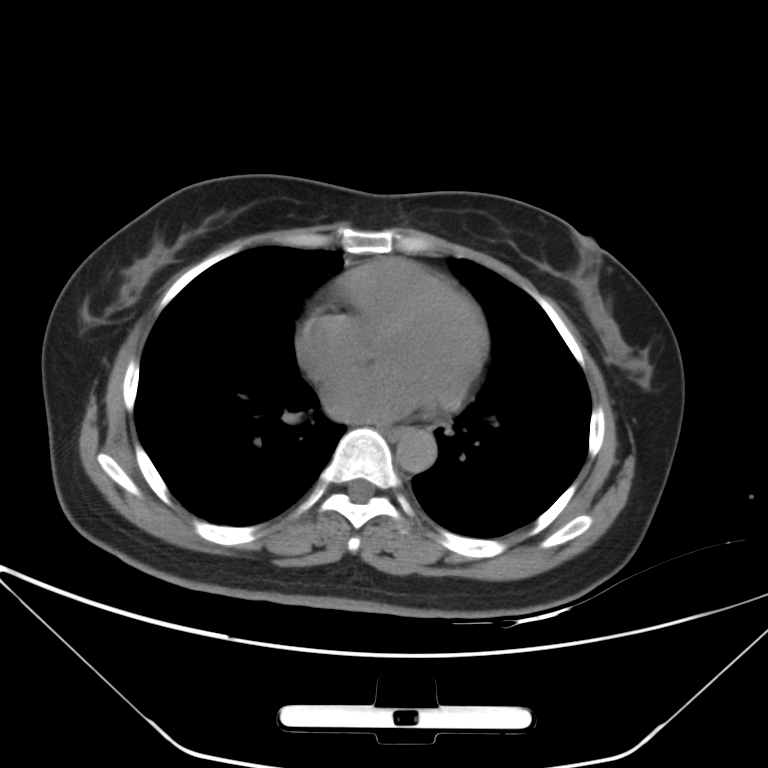 Lower-chest slice from an abdominal CT, just above the liver and spleen; axial plane, index 87; W/L 400/40 HU
No part of the heart or lungs is labeled in this dataset, so neither has a box here.
Organ boxes in pixel coordinates; each row gives the top-left (x1, y1) and bottom-right (x2, y2) corners.
| organ | x1 | y1 | x2 | y2 |
|---|---|---|---|---|
| esophagus | 381 | 423 | 401 | 440 |
| aorta | 397 | 430 | 437 | 473 |